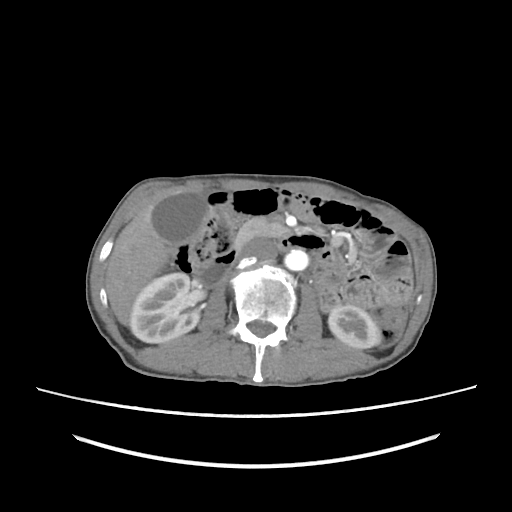
Computed tomography, abdomen — axial view — 512x512 px — 62-year-old male patient — acquired on Aquilion ONE
Coordinates as <box>x1,y1,x2,y2</box> in pixels.
Organ bounding boxes:
- right kidney: <box>130,272,199,343</box>
- left kidney: <box>328,305,381,348</box>
- gall bladder: <box>153,192,208,243</box>
- liver: <box>105,199,169,324</box>
- aorta: <box>284,249,308,270</box>
- inferior vena cava: <box>239,239,276,261</box>
- pancreas: <box>234,217,292,247</box>
- duodenum: <box>194,247,238,288</box>